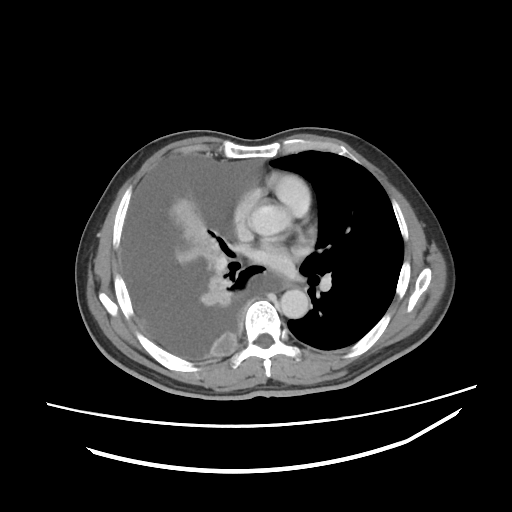
Chest-level CT slice, above the liver and spleen — axial view — 49-year-old male patient — Aquilion ONE scanner
At this level of the chest this dataset labels only the esophagus and the aorta, and each is boxed only where it is labeled; the heart and lungs are never labeled.
Box edges are left/top/right/bottom in pixels.
Organ bounding boxes:
- esophagus: left=282, top=278, right=291, bottom=288
- aorta: left=280, top=289, right=309, bottom=318